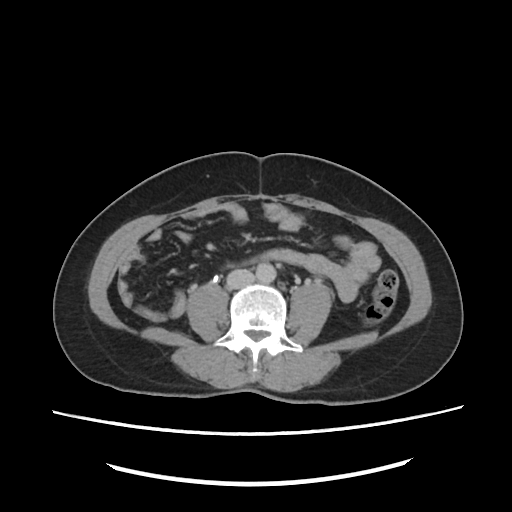 CT, abdomen/pelvis · axial view · acquired on Aquilion ONE
Coordinates as <box>x1,y1,x2,y2</box> in pixels.
aorta: <box>254,263,275,282</box>
inferior vena cava: <box>226,269,254,289</box>